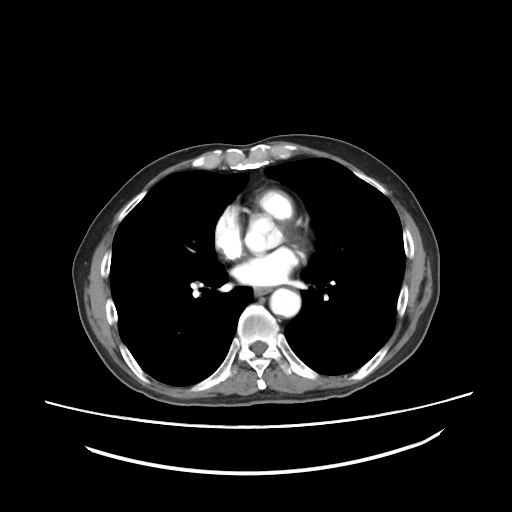
CT of the abdomen extending into the chest, slice through the chest — axial view — soft-tissue window — 512x512 px — 15 organs annotated in this scan (counted over the whole 3D scan, not this slice; an organ is boxed only where this slice passes through it)
At this level of the chest this dataset labels only the esophagus and the aorta, and each is boxed only where it is labeled; the heart and lungs are never labeled.
Bounding boxes as [x1, y1, x2, y2] in pixel coordinates.
esophagus: [254, 288, 269, 294]
aorta: [270, 288, 300, 317]